CT abdomen. axial view
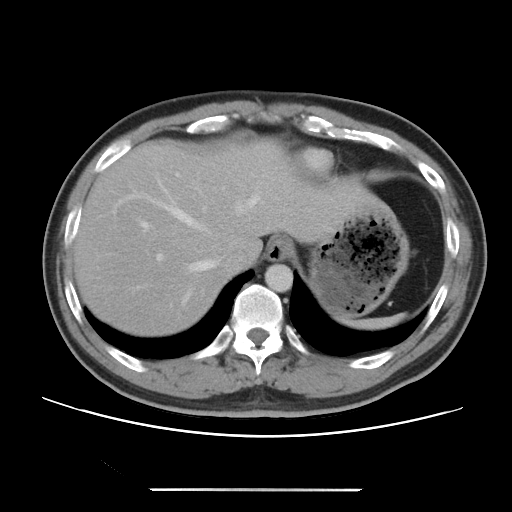 Bounding boxes in pixels, one row per box: x1, y1 is the top-left corner and x2, y2 the bottom-right.
| organ | x1 | y1 | x2 | y2 |
|---|---|---|---|---|
| aorta | 264 | 264 | 293 | 292 |
| stomach | 309 | 204 | 409 | 318 |
| spleen | 339 | 313 | 405 | 329 |
| esophagus | 267 | 237 | 294 | 260 |
| inferior vena cava | 220 | 249 | 252 | 273 |
| liver | 72 | 137 | 383 | 336 |